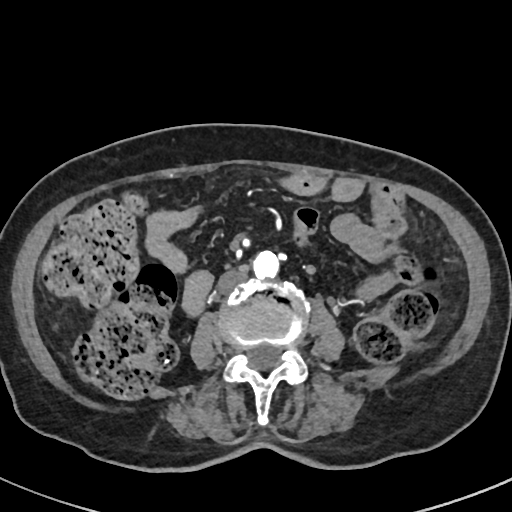
CT abdomen. axial view. 512x512 px
{"organs":{"aorta":[252,250,279,279],"inferior vena cava":[216,266,247,294]}}